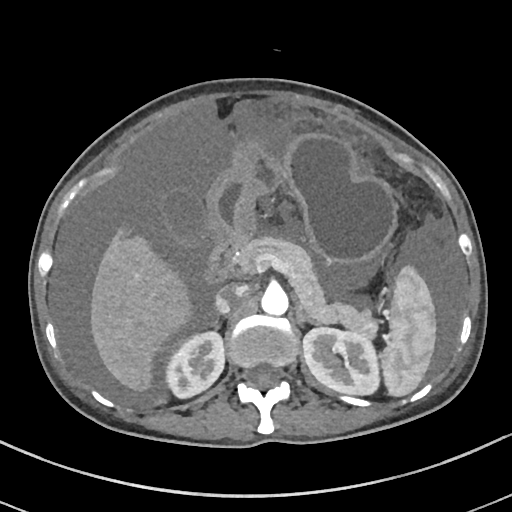
Computed tomography, abdomen; axial view; acquired on SOMATOM Force
<organs><organ name="spleen" x1="382" y1="262" x2="435" y2="395"/><organ name="right kidney" x1="167" y1="330" x2="224" y2="399"/><organ name="left kidney" x1="302" y1="327" x2="381" y2="395"/><organ name="gall bladder" x1="164" y1="195" x2="201" y2="240"/><organ name="liver" x1="90" y1="226" x2="192" y2="394"/><organ name="stomach" x1="205" y1="130" x2="395" y2="262"/><organ name="aorta" x1="261" y1="287" x2="288" y2="315"/><organ name="inferior vena cava" x1="215" y1="287" x2="244" y2="314"/><organ name="pancreas" x1="232" y1="235" x2="377" y2="336"/><organ name="right adrenal gland" x1="210" y1="318" x2="219" y2="325"/><organ name="left adrenal gland" x1="296" y1="307" x2="316" y2="325"/><organ name="duodenum" x1="204" y1="237" x2="246" y2="285"/></organs>